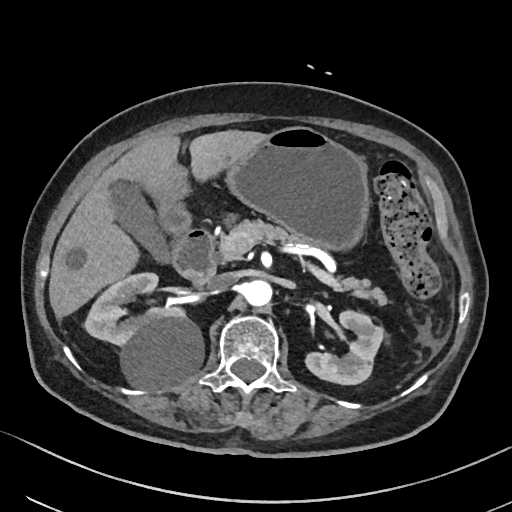 CT, abdomen/pelvis. axial view. soft-tissue window
Boxes: x1:y1:x2:y2 in pixels.
Organ bounding boxes:
- left kidney: 303:311:384:385
- gall bladder: 113:182:169:262
- aorta: 242:279:272:307
- pancreas: 230:220:386:304
- right kidney: 85:273:203:389
- stomach: 160:127:368:250
- inferior vena cava: 207:272:236:290
- duodenum: 172:228:214:283
- liver: 49:130:270:319